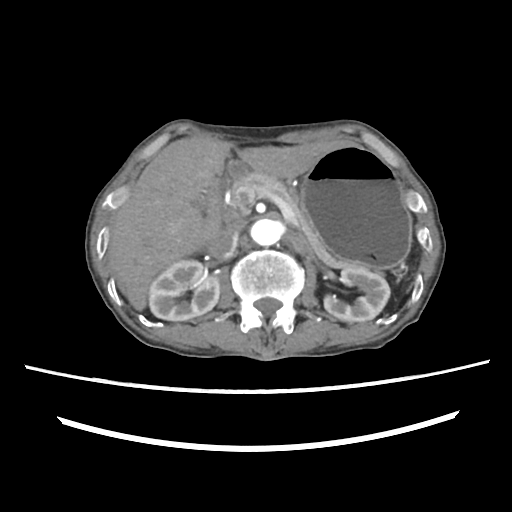 CT, abdomen/pelvis — axial view — W/L 400/40 HU
{"organs":{"right kidney":[148,260,219,320],"left kidney":[324,265,390,321],"gall bladder":[194,199,205,209],"liver":[107,137,339,310],"stomach":[300,144,411,267],"aorta":[250,219,287,245],"inferior vena cava":[209,220,242,256],"pancreas":[230,172,350,268],"duodenum":[204,181,224,243]}}